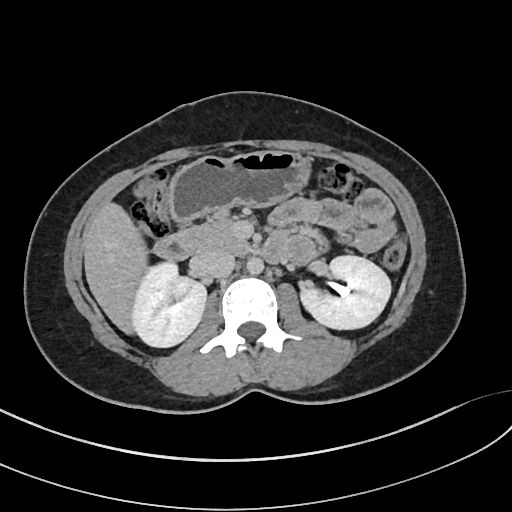
Computed tomography, abdomen — axial view — abdomen soft-tissue window
Bounding boxes in pixels, one row per box: x1, y1 is the top-left corner and x2, y2 the bottom-right.
| organ | x1 | y1 | x2 | y2 |
|---|---|---|---|---|
| left kidney | 299 | 254 | 391 | 328 |
| stomach | 170 | 151 | 310 | 220 |
| right kidney | 132 | 261 | 205 | 346 |
| pancreas | 184 | 216 | 250 | 253 |
| aorta | 246 | 256 | 263 | 273 |
| duodenum | 154 | 229 | 286 | 263 |
| liver | 82 | 204 | 147 | 333 |
| inferior vena cava | 194 | 250 | 235 | 278 |